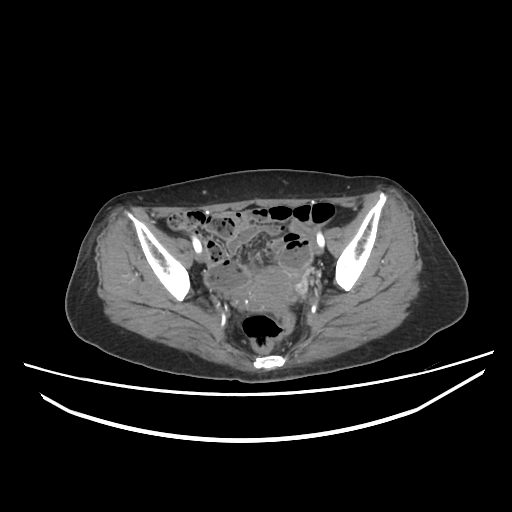 CT, abdomen/pelvis — Axial slice 27/122 — abdomen soft-tissue window — 512x512 px
Boxes are (x1, y1, x2, y2) in pixels. 1 labeled organ on this slice — prostate/uterus at (241, 267, 292, 308).